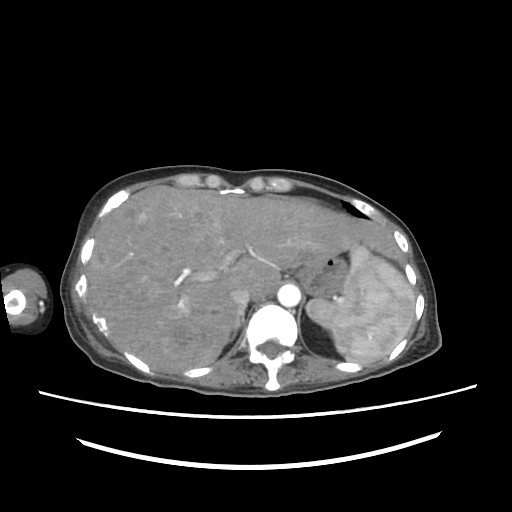

CT, abdomen/pelvis. axial plane, index 69. Aquilion ONE scanner
Bounding boxes in pixels, one row per box: x1, y1 is the top-left corner and x2, y2 the bottom-right.
| organ | x1 | y1 | x2 | y2 |
|---|---|---|---|---|
| spleen | 307 | 245 | 414 | 363 |
| liver | 88 | 185 | 404 | 372 |
| stomach | 297 | 256 | 349 | 298 |
| aorta | 277 | 284 | 300 | 307 |
| inferior vena cava | 230 | 287 | 250 | 308 |
| right adrenal gland | 230 | 308 | 244 | 341 |